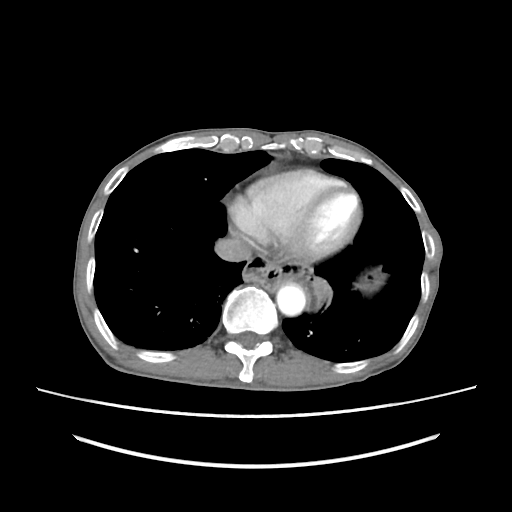
Abdominal CT; this slice is in the lower chest, just above the liver. axial plane, index 80. soft-tissue window, W/L 400/40. 512x512 px
The heart and lungs are never labeled in this dataset, so they have no box on this slice.
Organ boxes in pixel coordinates; each row gives the top-left (x1, y1) and bottom-right (x2, y2) corners.
| organ | x1 | y1 | x2 | y2 |
|---|---|---|---|---|
| aorta | 276 | 283 | 306 | 316 |
| inferior vena cava | 214 | 238 | 251 | 262 |